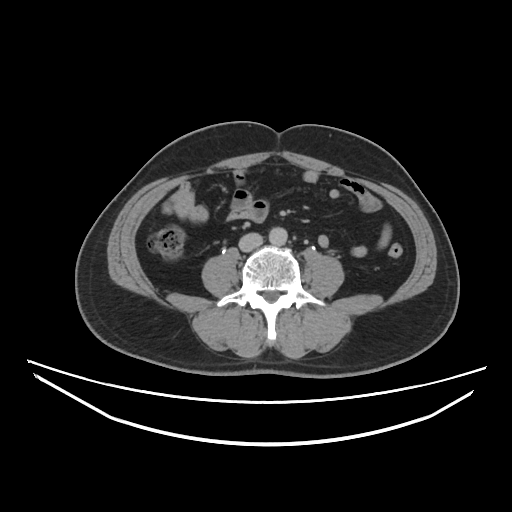

CT, abdomen/pelvis; axial view; abdomen soft-tissue window; 55-year-old male patient
Bounding boxes in pixels, one row per box: x1, y1 is the top-left corner and x2, y2 the bottom-right.
| organ | x1 | y1 | x2 | y2 |
|---|---|---|---|---|
| aorta | 268 | 228 | 287 | 246 |
| inferior vena cava | 240 | 234 | 262 | 250 |